CT abdomen; axial plane, index 178; 512x512 px
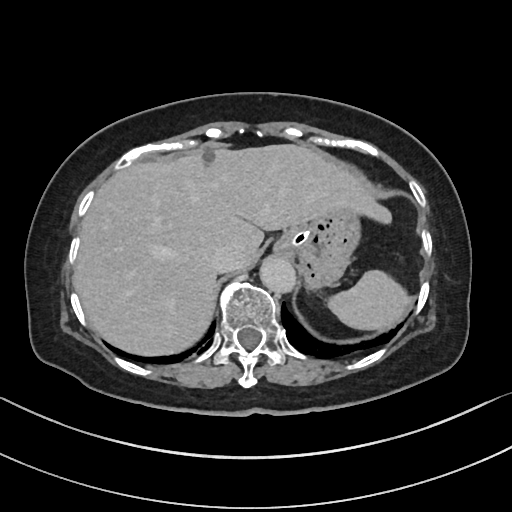
<organs><organ name="aorta" x1="260" y1="256" x2="295" y2="292"/><organ name="spleen" x1="327" y1="270" x2="410" y2="330"/><organ name="liver" x1="77" y1="144" x2="390" y2="355"/><organ name="inferior vena cava" x1="210" y1="244" x2="239" y2="272"/><organ name="stomach" x1="274" y1="211" x2="360" y2="289"/></organs>